CT, abdomen/pelvis · axial view · abdomen soft-tissue window
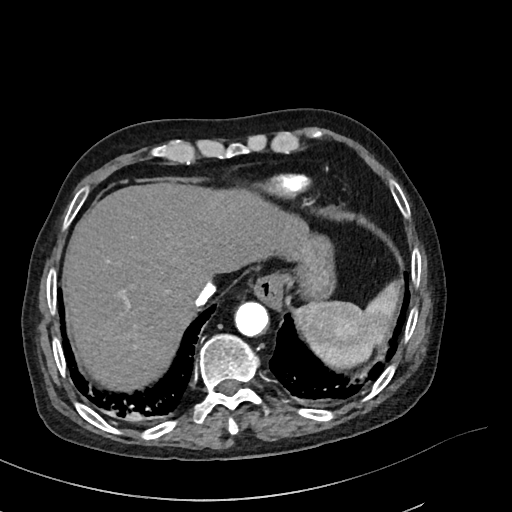
Boxes: x1 y1 x2 y2 (pixel coords, space-separated). Labeled organs on this slice: spleen at 294 281 399 368, aorta at 234 302 268 336, esophagus at 253 278 283 310, liver at 64 185 308 390, inferior vena cava at 195 281 217 304, stomach at 299 237 332 297.